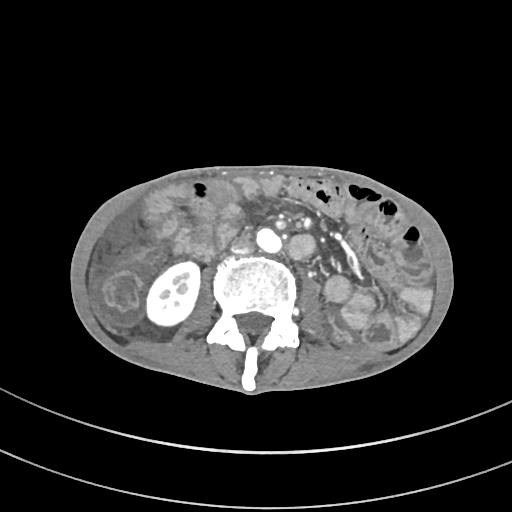

CT abdomen; axial view; SOMATOM Force scanner
Box edges are left/top/right/bottom in pixels.
Organ bounding boxes:
- right kidney: left=146, top=261, right=200, bottom=328
- inferior vena cava: left=231, top=237, right=252, bottom=253
- aorta: left=255, top=228, right=280, bottom=252